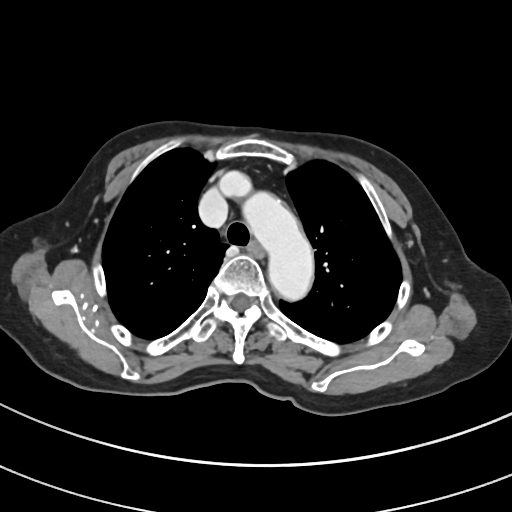
Chest-level slice from an abdominal CT that extends up into the chest. Axial slice 251/284. 15 organs annotated in this scan (counted over the whole 3D scan, not this slice; an organ is boxed only where this slice passes through it)
On a slice this high in the chest, this dataset labels only the esophagus and the aorta, and each is boxed only where it is labeled; the heart, lungs and other chest structures are not labeled.
{"organs":{"aorta":[242,191,313,300],"esophagus":[250,243,263,257]}}